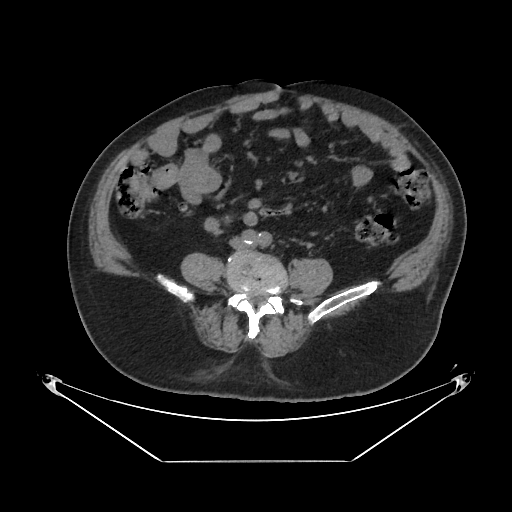 Computed tomography, abdomen — axial view — abdomen soft-tissue window
Each box given as x1,y1,x2,y2.
Organ bounding boxes:
- inferior vena cava: x1=230, y1=237, x2=245, y2=248